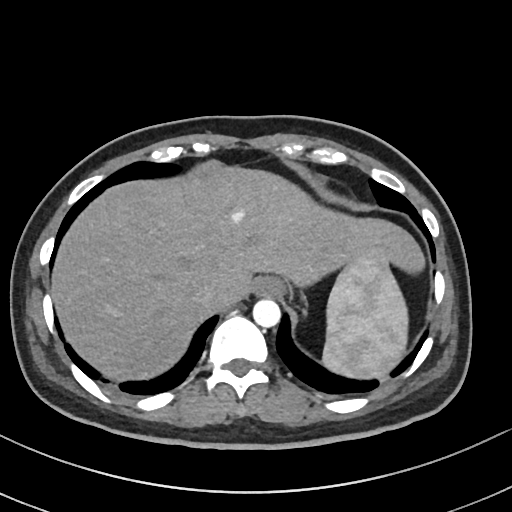

CT, abdomen/pelvis. axial view. W/L 400/40 HU. 512x512 px. acquired on SOMATOM Force
<organs><organ name="spleen" x1="323" y1="253" x2="408" y2="378"/><organ name="esophagus" x1="254" y1="276" x2="286" y2="296"/><organ name="liver" x1="50" y1="164" x2="424" y2="382"/><organ name="aorta" x1="252" y1="298" x2="280" y2="327"/><organ name="inferior vena cava" x1="191" y1="284" x2="219" y2="308"/></organs>